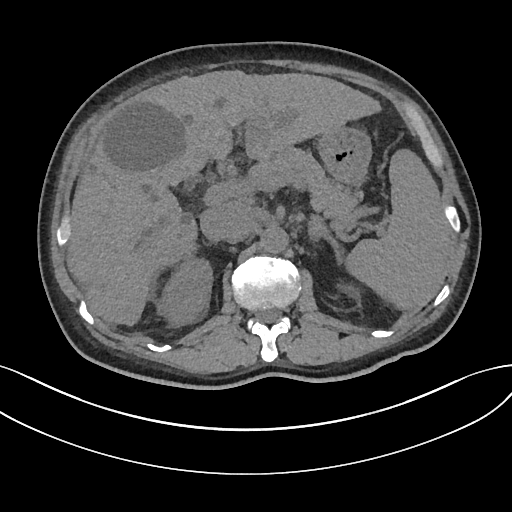
CT, abdomen/pelvis · Axial slice 150/213 · 15 organs annotated in this scan (counted over the whole 3D scan, not this slice; an organ is boxed only where this slice passes through it)
{"organs":{"spleen":[345,149,450,309],"right kidney":[157,258,212,325],"liver":[66,70,380,325],"stomach":[317,126,371,184],"aorta":[260,225,288,252],"inferior vena cava":[200,202,247,241],"pancreas":[245,146,359,229],"left adrenal gland":[308,214,339,258]}}